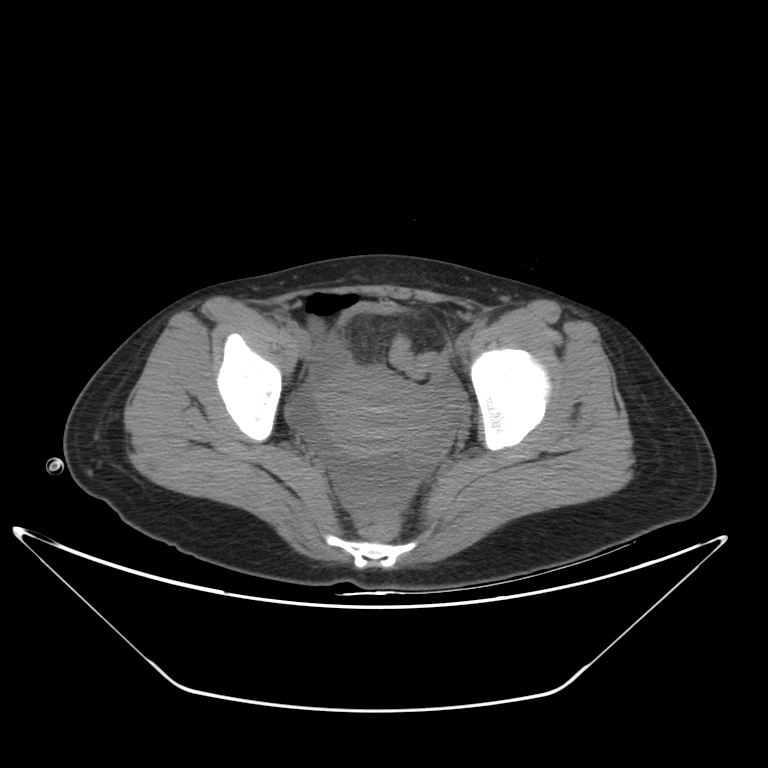

Computed tomography, abdomen. axial view. W/L 400/40 HU. 768x768 px. Brilliance16 scanner
One row per box, in pixels: columns x1 and y1 give the top-left corner, x2 and y2 the bottom-right.
| organ | x1 | y1 | x2 | y2 |
|---|---|---|---|---|
| bladder | 340 | 300 | 400 | 326 |
| prostate/uterus | 323 | 370 | 431 | 455 |